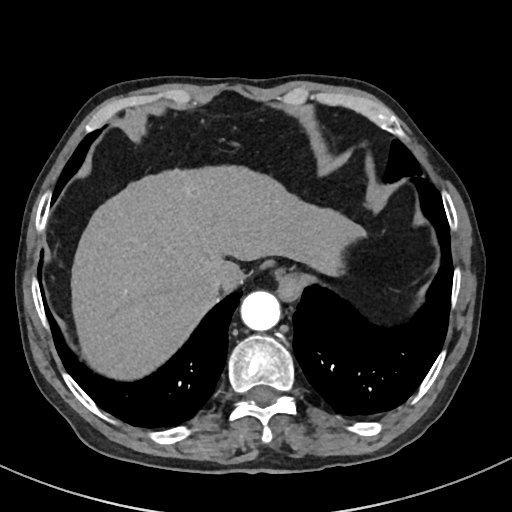

CT, abdomen/pelvis; axial view
{"organs":{"liver":[71,169,365,378],"esophagus":[274,265,311,302],"inferior vena cava":[209,269,227,289],"aorta":[241,290,280,330]}}